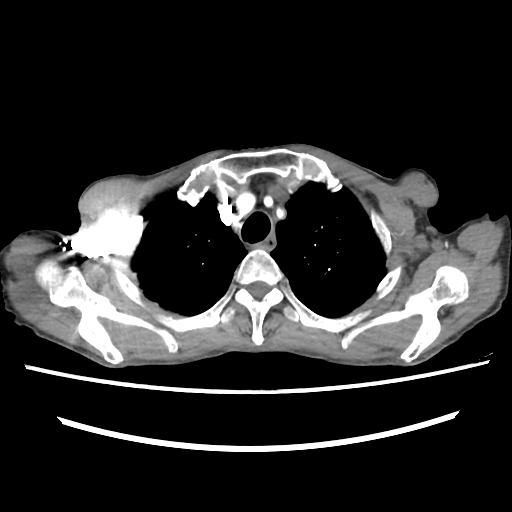 Abdominal CT reaching into the chest; this slice is in the chest. axial view
On a slice this high in the chest, this dataset labels only the esophagus and the aorta, and each is boxed only where it is labeled; the heart, lungs and other chest structures are not labeled.
Coordinates as <box>x1,y1,x2,y2</box> in pixels.
esophagus: <box>253,233,277,252</box>